CT abdomen — axial view
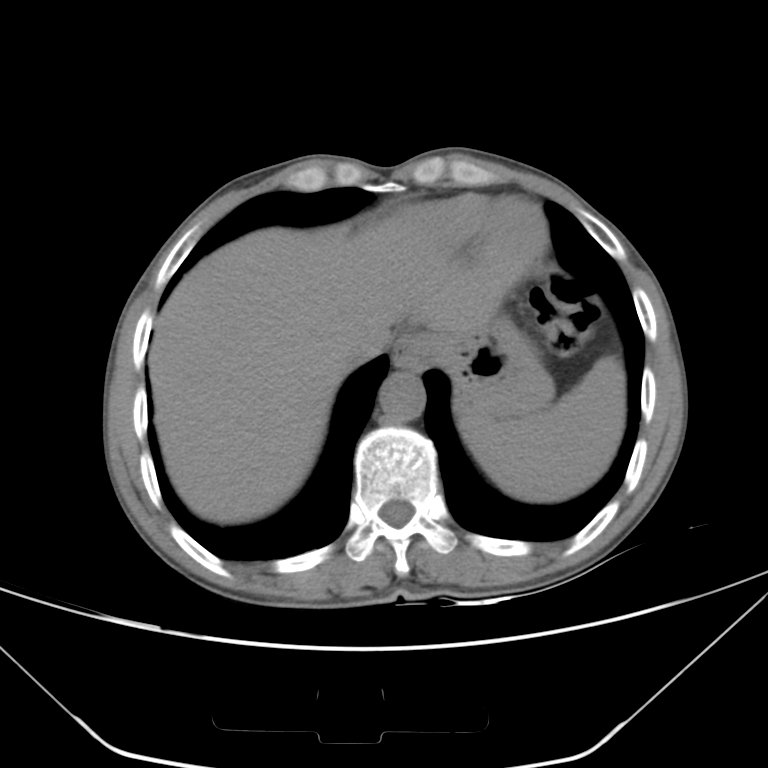 {"organs":{"spleen":[463,355,624,502],"esophagus":[394,334,445,370],"liver":[149,221,489,524],"stomach":[439,317,552,420],"aorta":[379,372,425,422],"inferior vena cava":[342,322,395,365]}}